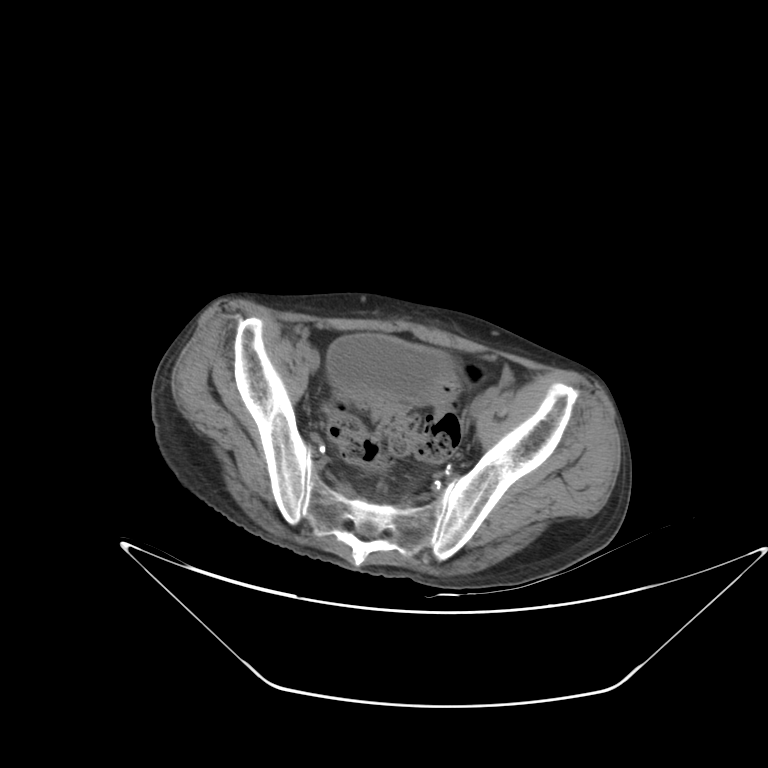

CT, abdomen/pelvis — axial plane, index 24 — soft-tissue window — 768x768 px — scan has 14 labeled organs (counted over the whole 3D scan, not this slice; an organ is boxed only where this slice passes through it)
Boxes are (x1, y1, x2, y2) in pixels.
Organ bounding boxes:
- bladder: (327, 334, 453, 400)